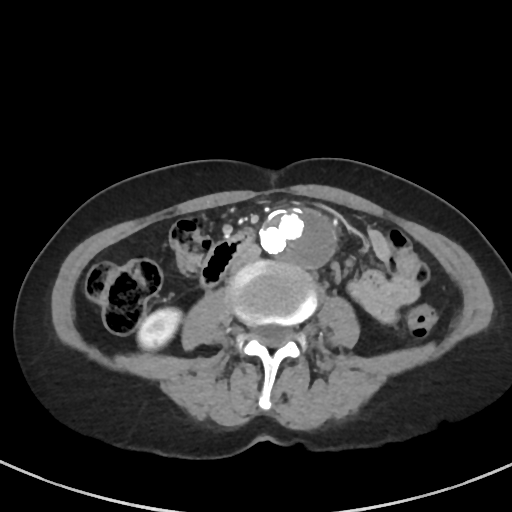
CT, abdomen/pelvis · axial plane, index 39
Box edges are left/top/right/bottom in pixels. 4 labeled organs on this slice — duodenum at left=201, top=230, right=253, bottom=286; right kidney at left=138, top=308, right=181, bottom=349; aorta at left=259, top=209, right=335, bottom=265; inferior vena cava at left=229, top=243, right=260, bottom=272.